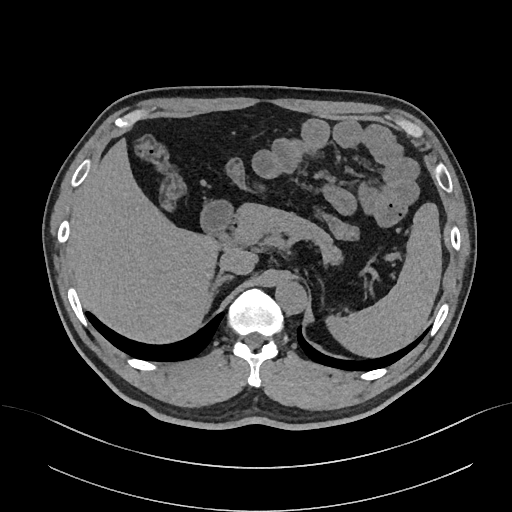 Abdominal CT. axial view. abdomen soft-tissue window
Boxes: x1 y1 x2 y2 (pixel coords, space-separated). Labeled organs on this slice: spleen at 326 203 441 357, liver at 67 138 257 343, aorta at 275 281 306 314, inferior vena cava at 219 248 254 274, pancreas at 235 203 343 264, right adrenal gland at 210 272 234 302, duodenum at 200 200 232 236.